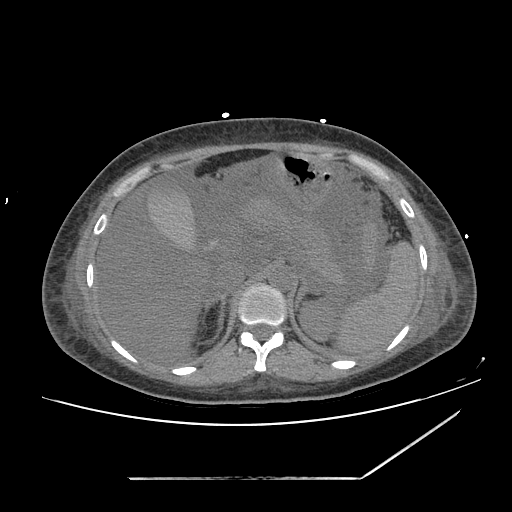

CT, abdomen/pelvis; axial view; soft-tissue window (W 400 / L 40); 512x512 px; 15 organs annotated in this scan (counted over the whole 3D scan, not this slice; an organ is boxed only where this slice passes through it)
Box edges are left/top/right/bottom in pixels.
spleen: left=187, top=196, right=418, bottom=353
inferior vena cava: left=213, top=262, right=246, bottom=295
aorta: left=268, top=265, right=293, bottom=290
left kidney: left=299, top=299, right=338, bottom=341
gall bladder: left=147, top=177, right=199, bottom=253
right adrenal gland: left=203, top=296, right=226, bottom=335
stomach: left=274, top=150, right=333, bottom=210
liver: left=96, top=178, right=211, bottom=363
left adrenal gland: left=295, top=276, right=323, bottom=309
pancreas: left=230, top=195, right=348, bottom=286